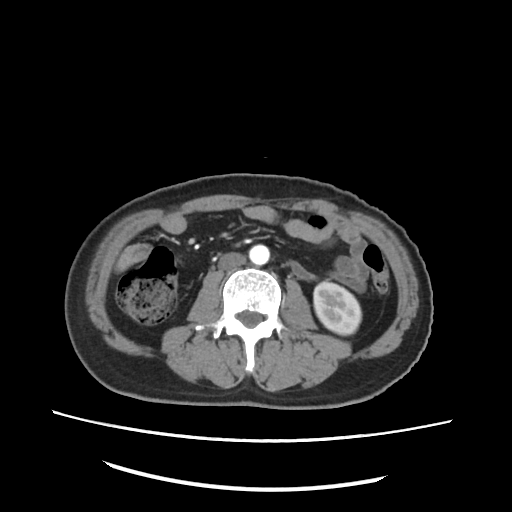

CT, abdomen/pelvis; axial plane, index 55; abdomen soft-tissue window; 512x512 px; 54-year-old male patient; Aquilion ONE scanner; scan has 15 labeled organs (that count is for the whole scan; organs this slice misses have no box)
Boxes are (x1, y1, x2, y2) in pixels.
left kidney: (314, 280, 362, 334)
aorta: (249, 245, 270, 264)
inferior vena cava: (217, 252, 246, 272)